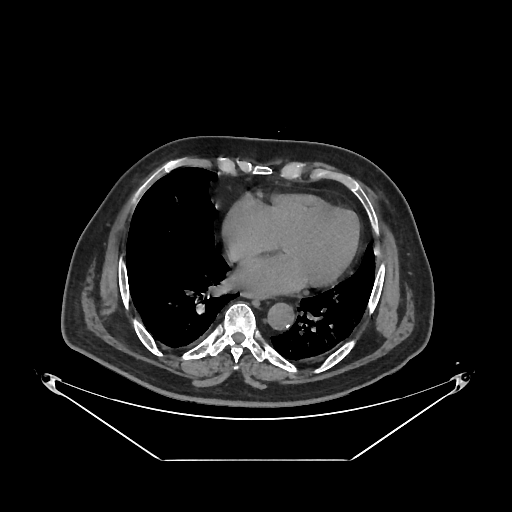 CT of the abdomen reaching into the lower chest, slice just above the liver and spleen — axial view
No part of the heart or lungs is labeled in this dataset, so neither has a box here.
{"organs":{"esophagus":[243,294,266,298],"aorta":[267,303,294,330]}}